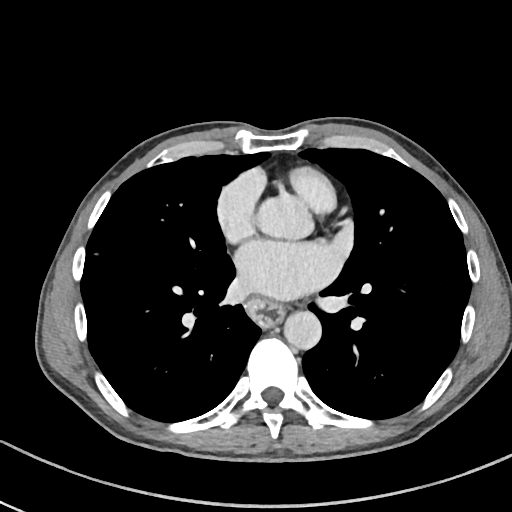
Abdominal CT reaching into the chest; this slice is in the chest; axial view; W/L 400/40 HU
On a slice this high in the chest, this dataset labels only the esophagus and the aorta, and each is boxed only where it is labeled; the heart, lungs and other chest structures are not labeled.
Box edges are left/top/right/bottom in pixels.
esophagus: left=247, top=299, right=282, bottom=326
aorta: left=256, top=198, right=313, bottom=238
aorta: left=284, top=311, right=321, bottom=349